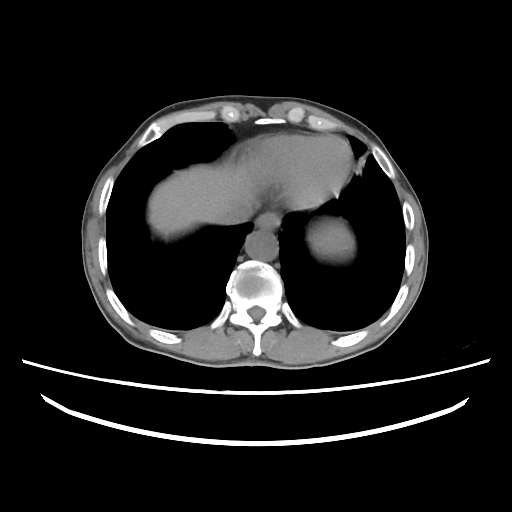 CT, abdomen/pelvis · Axial slice 87/90
{"organs":{"spleen":[310,223,353,255],"esophagus":[256,212,280,229],"liver":[149,166,256,233],"aorta":[244,231,278,260],"inferior vena cava":[217,207,250,224]}}